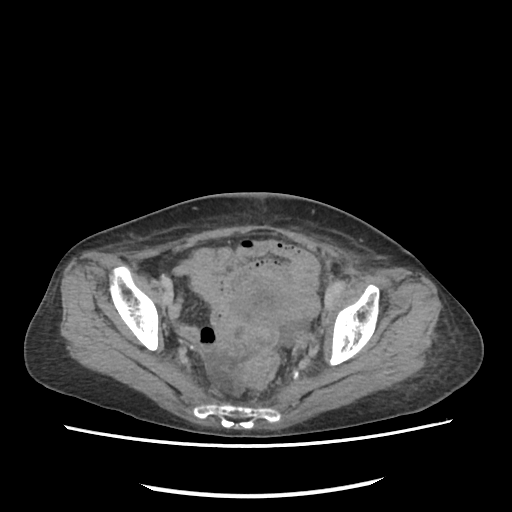
CT, abdomen/pelvis; Axial slice 22/90; abdomen soft-tissue window; 512x512 px; acquired on Aquilion ONE; 14 organs annotated in this scan (counted over the whole 3D scan, not this slice; an organ is boxed only where this slice passes through it)
Box edges are left/top/right/bottom in pixels.
Organ bounding boxes:
- bladder: left=232, top=278, right=290, bottom=325